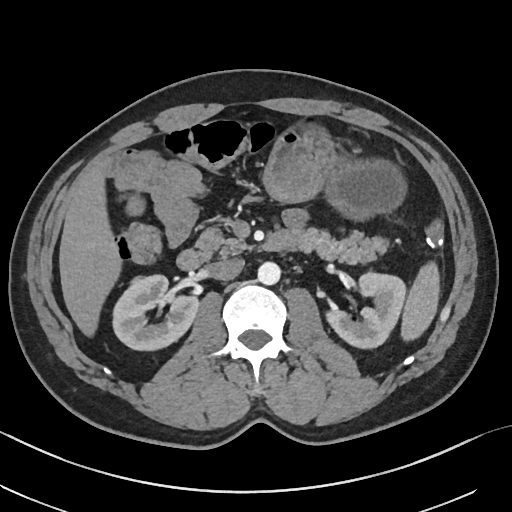
Abdominal CT; axial plane, index 145
Each box given as x1,y1,x2,y2.
spleen: x1=400, y1=263, x2=438, y2=340
right kidney: x1=113, y1=276, x2=198, y2=351
left kidney: x1=326, y1=273, x2=405, y2=348
liver: x1=59, y1=165, x2=121, y2=338
stomach: x1=261, y1=122, x2=404, y2=217
aorta: x1=257, y1=262, x2=280, y2=285
inferior vena cava: x1=209, y1=258, x2=244, y2=279
pancreas: x1=197, y1=226, x2=392, y2=264
duodenum: x1=177, y1=231, x2=294, y2=269